Computed tomography, abdomen — axial view
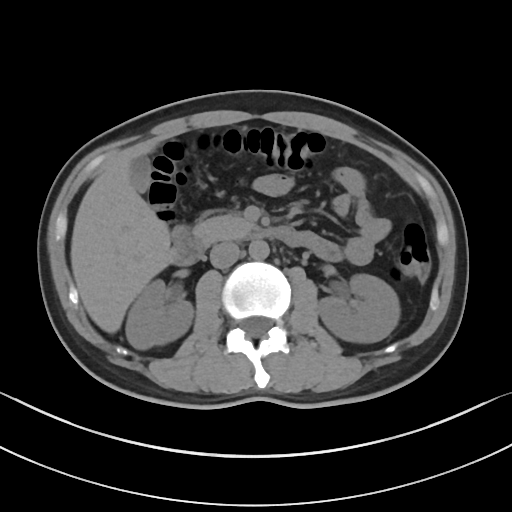

<organs><organ name="right kidney" x1="125" y1="280" x2="193" y2="349"/><organ name="left kidney" x1="317" y1="274" x2="399" y2="342"/><organ name="gall bladder" x1="130" y1="156" x2="151" y2="193"/><organ name="liver" x1="70" y1="139" x2="172" y2="333"/><organ name="aorta" x1="249" y1="239" x2="269" y2="259"/><organ name="inferior vena cava" x1="210" y1="242" x2="240" y2="268"/><organ name="pancreas" x1="193" y1="214" x2="255" y2="245"/><organ name="duodenum" x1="172" y1="226" x2="299" y2="265"/></organs>